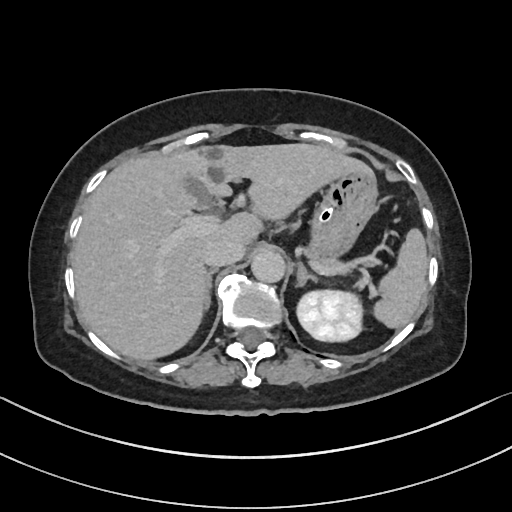
Abdominal CT · axial view · soft-tissue window (W 400 / L 40) · acquired on SOMATOM Force
Boxes: x1:y1:x2:y2 in pixels. Labeled organs on this slice: spleen at 375:228:428:327, left kidney at 295:288:363:342, gall bladder at 179:173:212:210, liver at 72:143:365:359, stomach at 313:166:379:252, aorta at 250:248:283:282, inferior vena cava at 203:237:244:266, pancreas at 304:240:344:269, right adrenal gland at 203:268:217:310, left adrenal gland at 295:261:318:285.